Chest-level CT slice, above the liver and spleen — axial plane, index 222 — acquired on SOMATOM Force
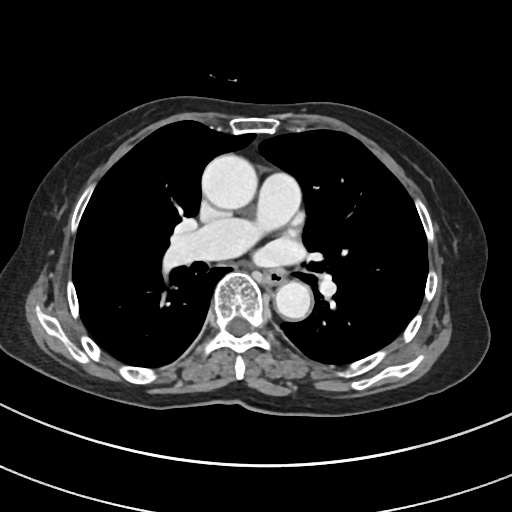 On a slice this high in the chest, this dataset labels only the esophagus and the aorta, and each is boxed only where it is labeled; the heart, lungs and other chest structures are not labeled.
Bounding boxes as [x1, y1, x2, y2] in pixel coordinates.
esophagus: [264, 270, 286, 284]
aorta: [201, 154, 257, 209]
aorta: [275, 281, 311, 319]